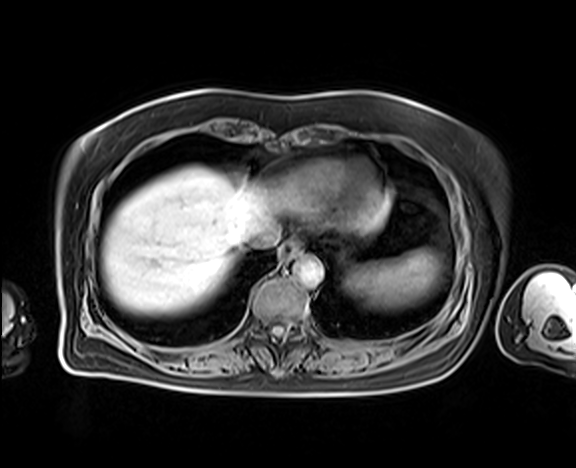
Abdominal MRI; axial view; 1st–99th percentile window; 12 organs annotated in this scan (counted over the whole 3D scan, not this slice; an organ is boxed only where this slice passes through it)
Each box given as x1,y1,x2,y2.
Organ bounding boxes:
- spleen: x1=349, y1=250, x2=438, y2=307
- esophagus: x1=280, y1=242, x2=299, y2=260
- liver: x1=102, y1=166, x2=390, y2=312
- inferior vena cava: x1=244, y1=227, x2=279, y2=248
- aorta: x1=294, y1=257, x2=323, y2=287